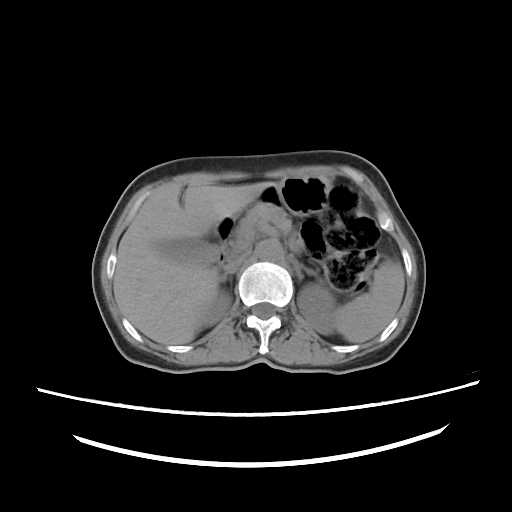
CT abdomen — axial view — soft-tissue window (W 400 / L 40) — 512x512 px
Each box given as x1,y1,x2,y2.
left kidney: x1=297, y1=284, x2=337, y2=334
spleen: x1=336, y1=264, x2=404, y2=342
liver: x1=113, y1=182, x2=272, y2=344
gall bladder: x1=159, y1=239, x2=217, y2=264
pancreas: x1=231, y1=202, x2=291, y2=250
aorta: x1=256, y1=240, x2=282, y2=261
right adrenal gland: x1=219, y1=266, x2=236, y2=283
right kidney: x1=197, y1=292, x2=231, y2=327
inferior vena cava: x1=224, y1=252, x2=248, y2=271
duodenum: x1=215, y1=218, x2=233, y2=265
left adrenal gland: x1=292, y1=259, x2=313, y2=281
stomach: x1=259, y1=177, x2=329, y2=215